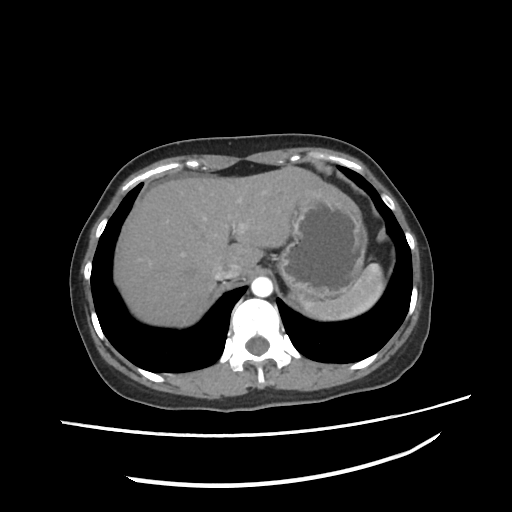
CT, abdomen/pelvis. axial plane, index 69
Bounding boxes as [x1, y1, x2, y2] in pixel coordinates.
Organ bounding boxes:
- spleen: [299, 263, 384, 320]
- liver: [115, 165, 361, 325]
- stomach: [278, 196, 367, 300]
- aorta: [251, 277, 273, 297]
- inferior vena cava: [212, 263, 240, 279]